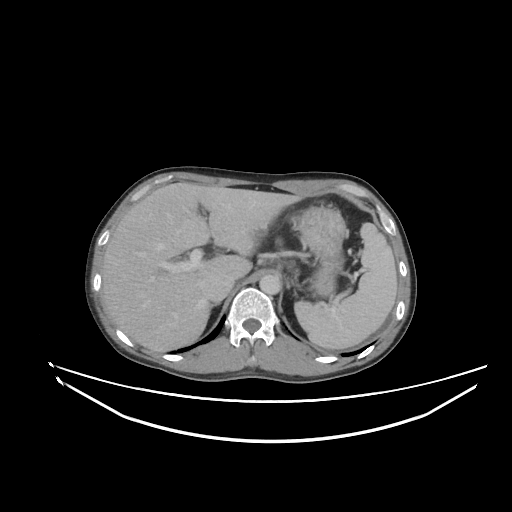

CT, abdomen/pelvis. axial view. soft-tissue window. scan has 15 labeled organs (that count is for the whole scan; organs this slice misses have no box)
<organs><organ name="spleen" x1="294" y1="223" x2="397" y2="349"/><organ name="liver" x1="102" y1="182" x2="301" y2="351"/><organ name="stomach" x1="292" y1="205" x2="347" y2="296"/><organ name="aorta" x1="259" y1="274" x2="281" y2="294"/><organ name="inferior vena cava" x1="201" y1="275" x2="234" y2="302"/><organ name="right adrenal gland" x1="212" y1="305" x2="215" y2="307"/><organ name="left adrenal gland" x1="294" y1="290" x2="297" y2="296"/></organs>